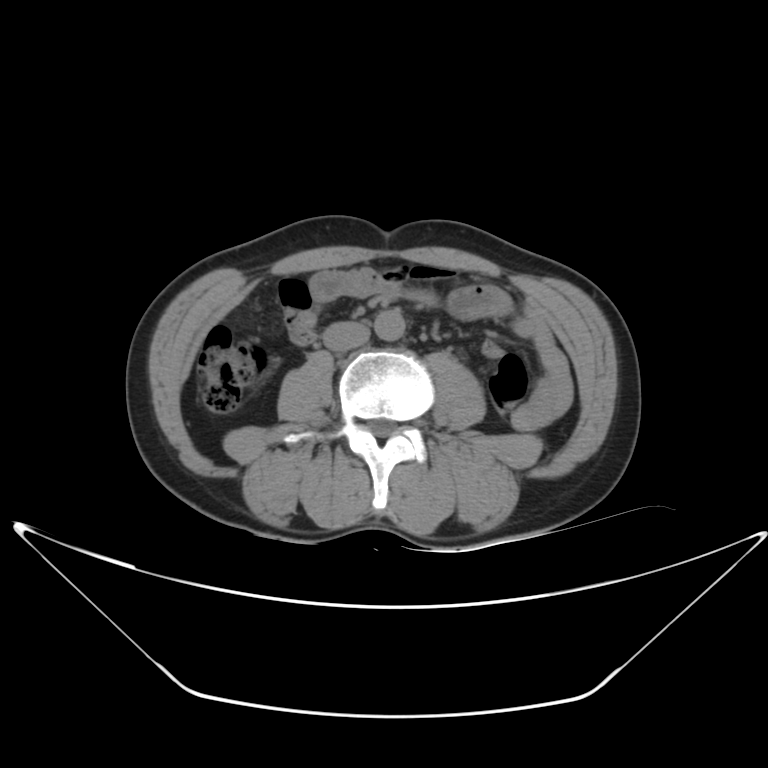

Abdominal CT. axial view. W/L 400/40 HU. 51-year-old male patient. 15 organs annotated in this scan (a whole-scan count: organs this slice does not pass through have no box)
{"organs":{"inferior vena cava":[321,321,370,348],"aorta":[376,308,405,340]}}